Abdominal CT — axial view
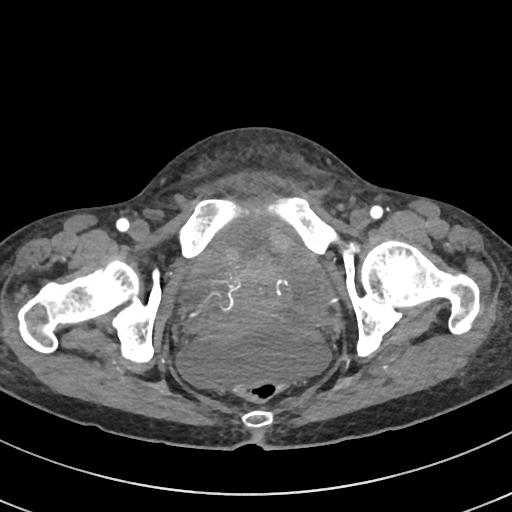

Bounding boxes in pixels, one row per box: x1, y1 is the top-left corner and x2, y2 the bottom-right.
| organ | x1 | y1 | x2 | y2 |
|---|---|---|---|---|
| prostate/uterus | 230 | 253 | 292 | 316 |